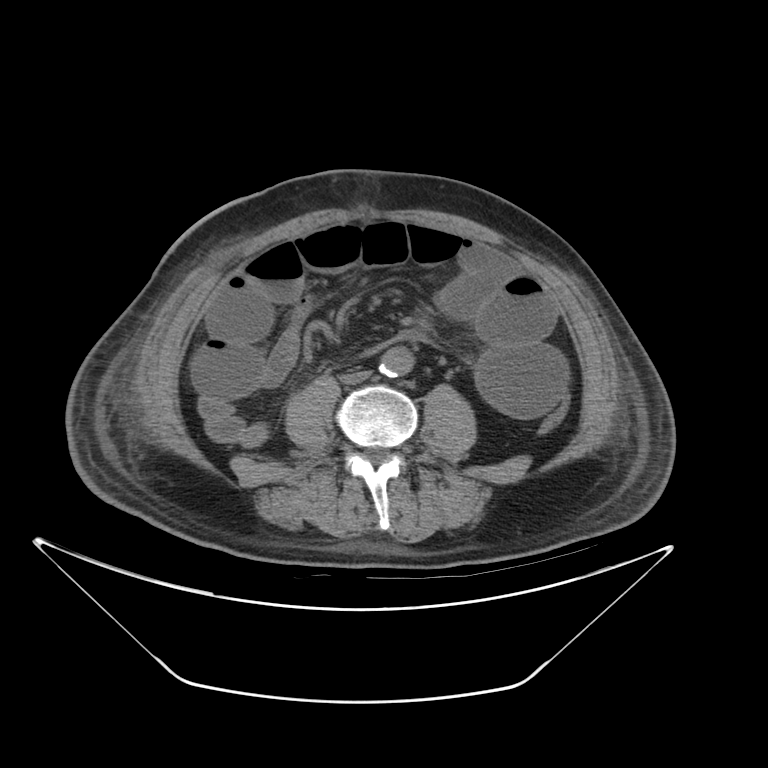 Abdominal CT; axial view; W/L 400/40 HU; 66-year-old male patient; Brilliance16 scanner; scan has 15 labeled organs (that count is for the whole scan; organs this slice misses have no box)
{"organs":{"inferior vena cava":[339,372,371,382],"aorta":[378,344,414,375]}}